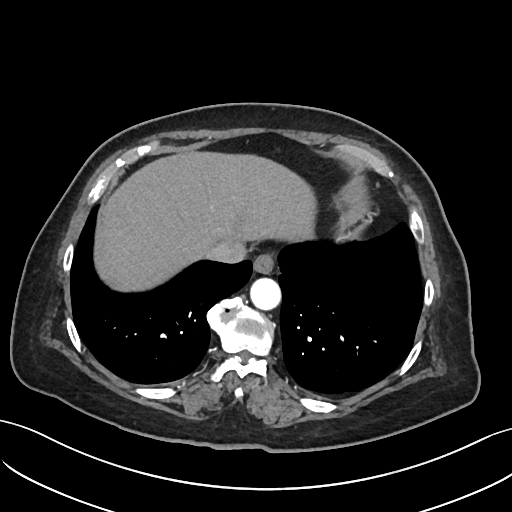 CT abdomen; axial view; abdomen soft-tissue window; acquired on SOMATOM Force
{"organs":{"esophagus":[253,255,274,273],"liver":[95,153,315,291],"aorta":[250,277,280,309],"inferior vena cava":[206,241,244,262]}}